CT, abdomen/pelvis. Axial slice 80/87. soft-tissue window (W 400 / L 40). 768x768 px. Brilliance16 scanner
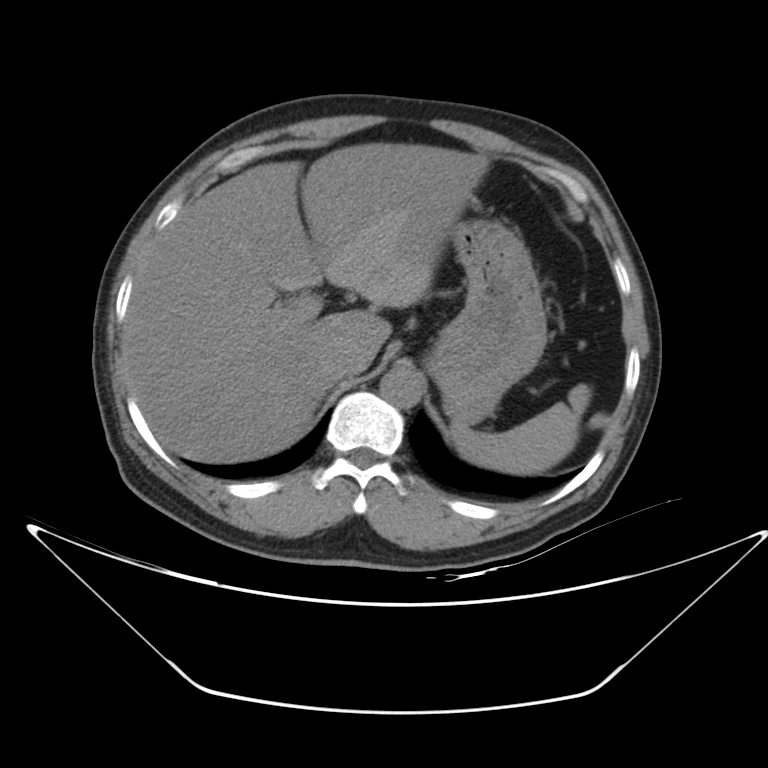 Boxes are (x1, y1, x2, y2) in pixels.
Organ bounding boxes:
- spleen: (451, 384, 590, 475)
- liver: (124, 142, 487, 462)
- stomach: (426, 218, 547, 425)
- aorta: (380, 366, 423, 408)
- inferior vena cava: (323, 345, 366, 380)